Lower-chest slice from an abdominal CT, just above the liver and spleen — Axial slice 347/353 — soft-tissue window, W/L 400/40 — SOMATOM Force scanner — scan has 14 labeled organs (counted over the whole 3D scan, not this slice; an organ is boxed only where this slice passes through it)
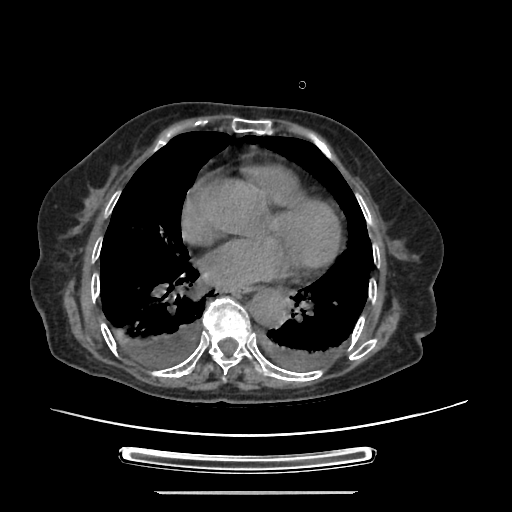
Of the structures in the chest, this dataset labels only the esophagus, the aorta and the inferior vena cava; the heart and lungs have no label.
{"organs":{"aorta":[249,288,287,327],"esophagus":[226,286,250,294]}}